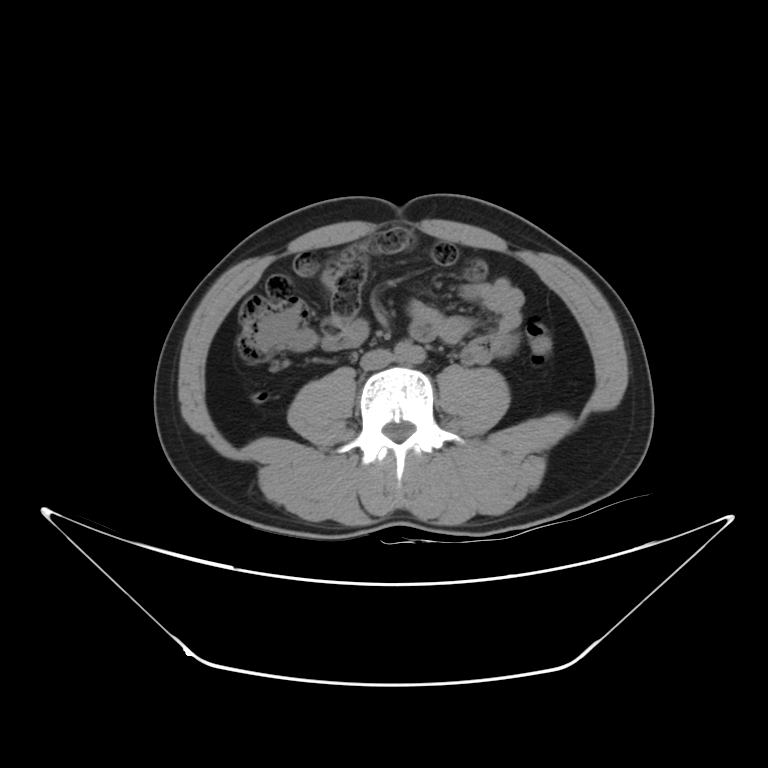

CT, abdomen/pelvis; axial view; W/L 400/40 HU; 37-year-old male patient
{"organs":{"aorta":[395,342,425,363],"inferior vena cava":[360,348,394,369]}}